Abdominal MR · Coronal slice 132/144 · percentile-normalized
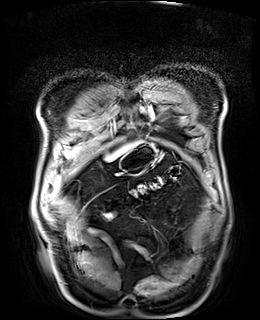 One row per box, in pixels: columns x1 and y1 give the top-left corner, x2 and y2 the bottom-right.
| organ | x1 | y1 | x2 | y2 |
|---|---|---|---|---|
| liver | 106 | 143 | 135 | 161 |
| stomach | 120 | 142 | 157 | 176 |